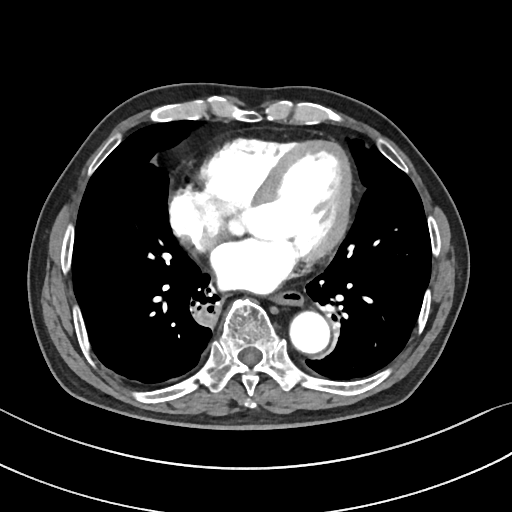
CT of the abdomen reaching into the lower chest, slice just above the liver and spleen. axial plane, index 214. SOMATOM Force scanner
Of the structures in the chest, this dataset labels only the esophagus, the aorta and the inferior vena cava; the heart and lungs have no label.
{"organs":{"esophagus":[274,289,303,305],"aorta":[289,311,329,353]}}